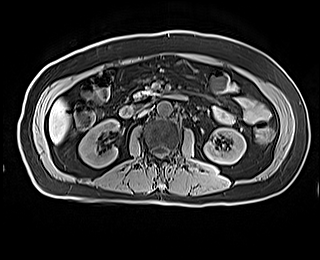
Abdominal MR; axial view; percentile-normalized; 320x260 px
{"organs":{"right kidney":[79,119,119,167],"left kidney":[204,128,246,164],"liver":[49,100,69,143],"aorta":[157,101,171,115],"inferior vena cava":[138,109,148,116],"pancreas":[131,91,149,100],"duodenum":[119,94,186,117]}}